Computed tomography, abdomen. Axial slice 163/284. 512x512 px. SOMATOM Force scanner
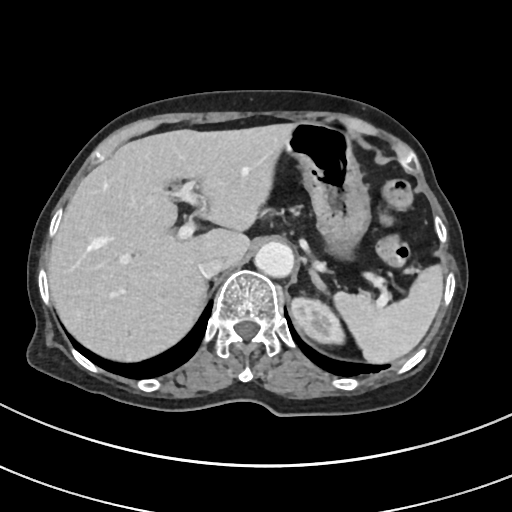

Each box given as x1,y1,x2,y2.
Organ bounding boxes:
- liver: x1=48, y1=124, x2=295, y2=359
- inferior vena cava: x1=198, y1=256, x2=225, y2=278
- spleen: x1=335, y1=265, x2=442, y2=362
- stomach: x1=286, y1=123, x2=371, y2=255
- left adrenal gland: x1=309, y1=269, x2=326, y2=293
- left kidney: x1=290, y1=297, x2=344, y2=344
- aorta: x1=255, y1=242, x2=294, y2=278